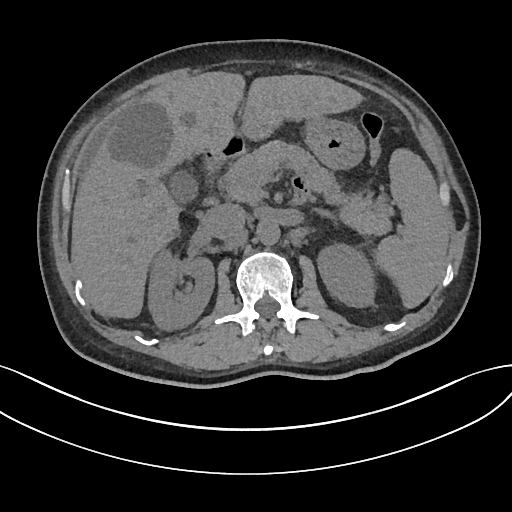
Abdominal CT. axial view. 512x512 px
<organs><organ name="spleen" x1="377" y1="147" x2="448" y2="307"/><organ name="right kidney" x1="147" y1="250" x2="214" y2="329"/><organ name="left kidney" x1="317" y1="242" x2="376" y2="307"/><organ name="gall bladder" x1="168" y1="170" x2="197" y2="202"/><organ name="liver" x1="72" y1="72" x2="360" y2="317"/><organ name="stomach" x1="303" y1="115" x2="364" y2="167"/><organ name="aorta" x1="256" y1="217" x2="279" y2="243"/><organ name="inferior vena cava" x1="203" y1="204" x2="247" y2="240"/><organ name="pancreas" x1="218" y1="141" x2="393" y2="235"/><organ name="left adrenal gland" x1="316" y1="208" x2="336" y2="218"/><organ name="duodenum" x1="205" y1="133" x2="245" y2="179"/></organs>